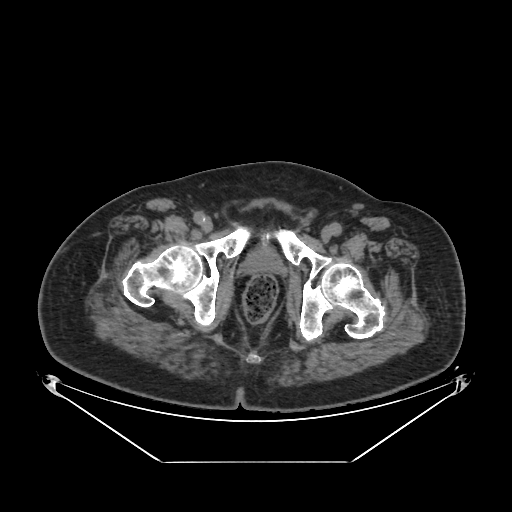
CT, abdomen/pelvis; axial view; 512x512 px
<organs><organ name="prostate/uterus" x1="0" y1="248" x2="281" y2="395"/></organs>